CT abdomen — axial view — soft-tissue window
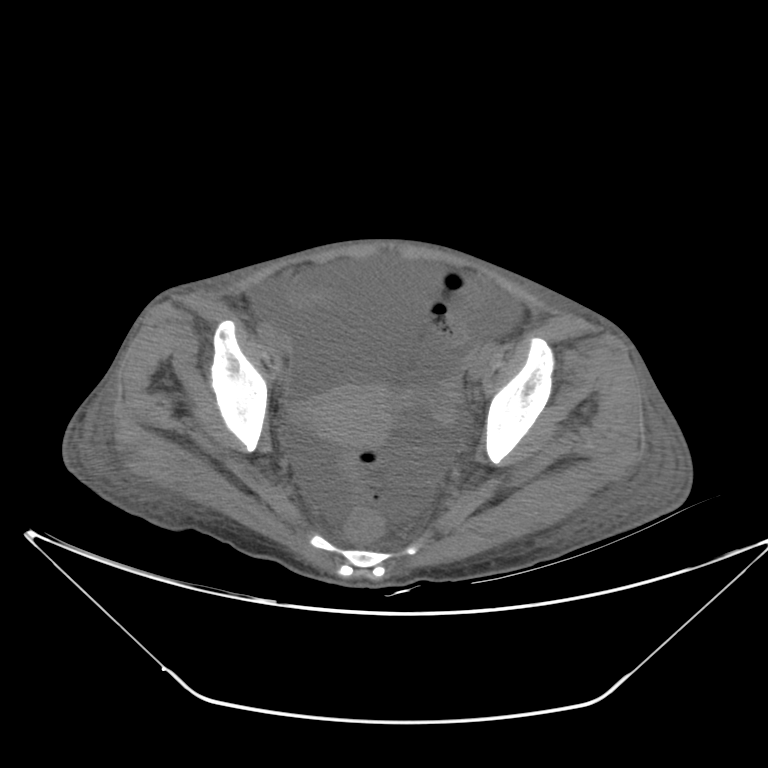
<organs><organ name="prostate/uterus" x1="305" y1="385" x2="390" y2="447"/></organs>